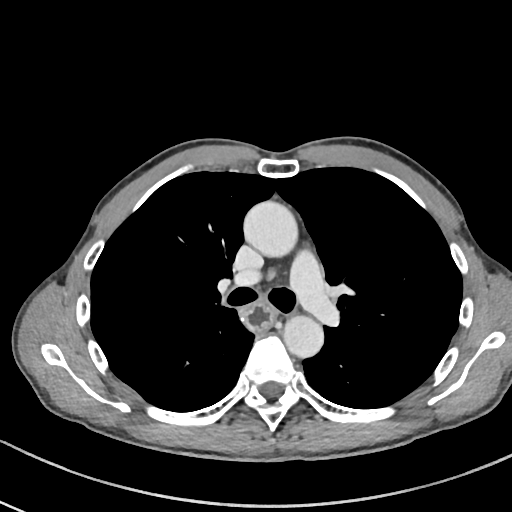

CT of the abdomen extending into the chest, slice through the chest — axial plane, index 252 — SOMATOM Force scanner
At this level of the chest this dataset labels only the esophagus and the aorta, and each is boxed only where it is labeled; the heart and lungs are never labeled.
<organs><organ name="esophagus" x1="240" y1="301" x2="272" y2="332"/><organ name="aorta" x1="243" y1="200" x2="297" y2="257"/><organ name="aorta" x1="282" y1="315" x2="324" y2="358"/></organs>